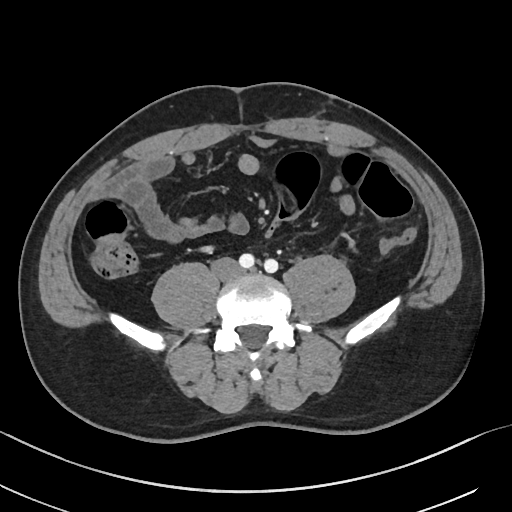
Computed tomography, abdomen. axial view. W/L 400/40 HU. 512x512 px
Bounding boxes in pixels, one row per box: x1, y1 is the top-left corner and x2, y2 the bottom-right.
| organ | x1 | y1 | x2 | y2 |
|---|---|---|---|---|
| inferior vena cava | 212 | 258 | 239 | 280 |